CT, abdomen/pelvis · axial view · soft-tissue window (W 400 / L 40) · 512x512 px · 66-year-old male patient · 15 organs annotated in this scan (that count is for the whole scan; organs this slice misses have no box)
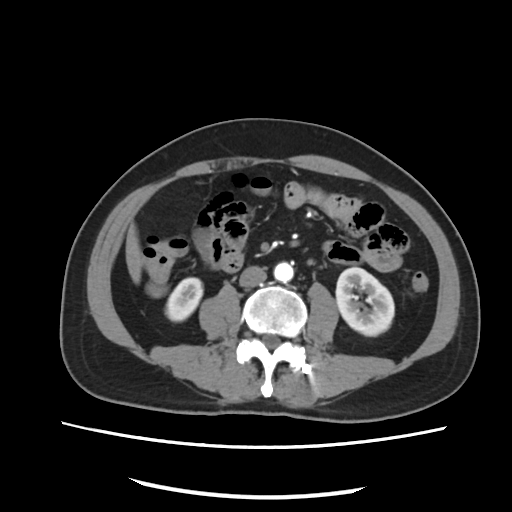
Each box given as x1,y1,x2,y2.
Organ bounding boxes:
- right kidney: x1=166, y1=277, x2=202, y2=322
- left kidney: x1=335, y1=267, x2=394, y2=335
- liver: x1=126, y1=223, x2=140, y2=283
- aorta: x1=274, y1=261, x2=294, y2=281
- inferior vena cava: x1=239, y1=268, x2=267, y2=285